CT, abdomen/pelvis — axial view — 768x768 px — scan has 15 labeled organs (that count is for the whole scan; organs this slice misses have no box)
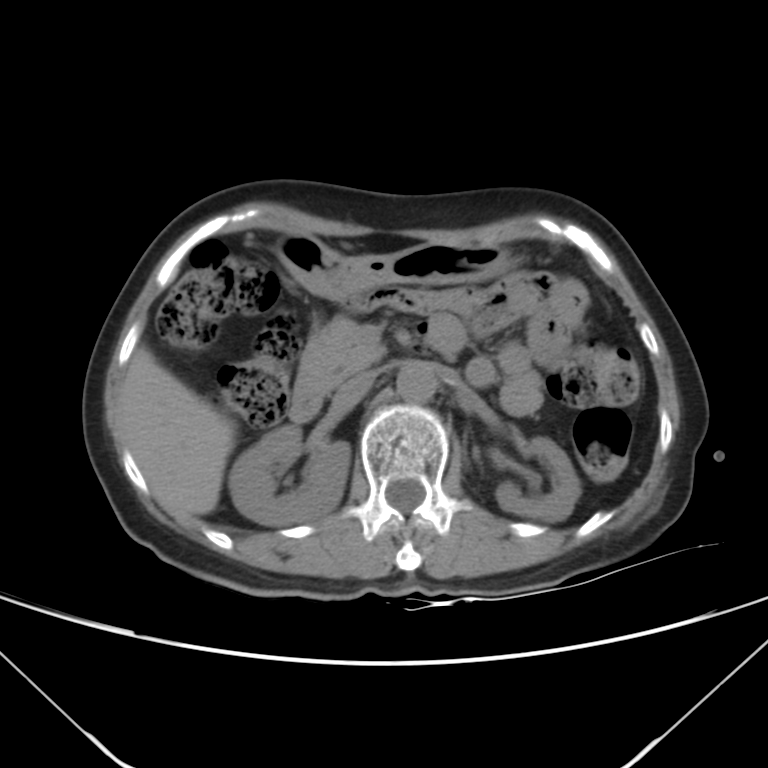
Bounding boxes in pixels, one row per box: x1, y1 is the top-left corner and x2, y2 the bottom-right.
| organ | x1 | y1 | x2 | y2 |
|---|---|---|---|---|
| right kidney | 229 | 424 | 350 | 524 |
| aorta | 396 | 361 | 435 | 402 |
| left kidney | 496 | 436 | 580 | 521 |
| stomach | 276 | 234 | 511 | 299 |
| liver | 122 | 347 | 235 | 517 |
| pancreas | 298 | 316 | 383 | 386 |
| duodenum | 288 | 314 | 465 | 421 |
| inferior vena cava | 333 | 372 | 374 | 409 |